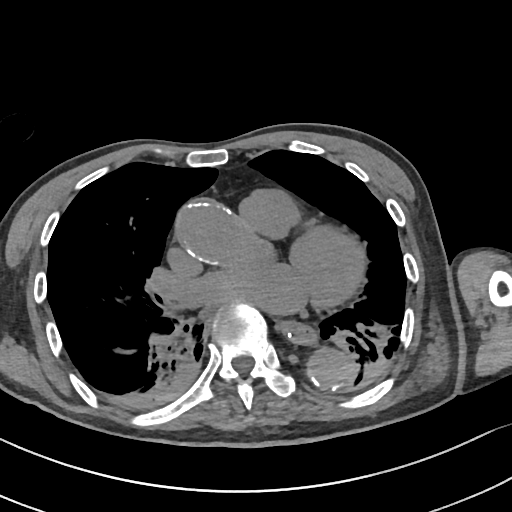 Abdominal CT; this slice is in the lower chest, just above the liver · axial plane, index 207 · 512x512 px
Of the structures in the chest, this dataset labels only the esophagus, the aorta and the inferior vena cava; the heart and lungs have no label.
Bounding boxes in pixels, one row per box: x1, y1 is the top-left corner and x2, y2 the bottom-right.
| organ | x1 | y1 | x2 | y2 |
|---|---|---|---|---|
| esophagus | 279 | 321 | 315 | 342 |
| aorta | 308 | 351 | 354 | 389 |